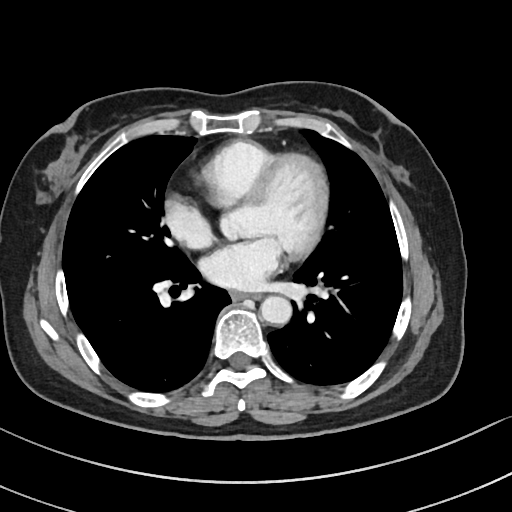

CT of the abdomen reaching into the lower chest, slice just above the liver and spleen — Axial slice 240/314 — soft-tissue window — scan has 14 labeled organs (counted over the whole 3D scan, not this slice; an organ is boxed only where this slice passes through it)
The heart and lungs are never labeled in this dataset, so they have no box on this slice.
{"organs":{"esophagus":[230,291,259,300],"aorta":[260,296,291,324]}}